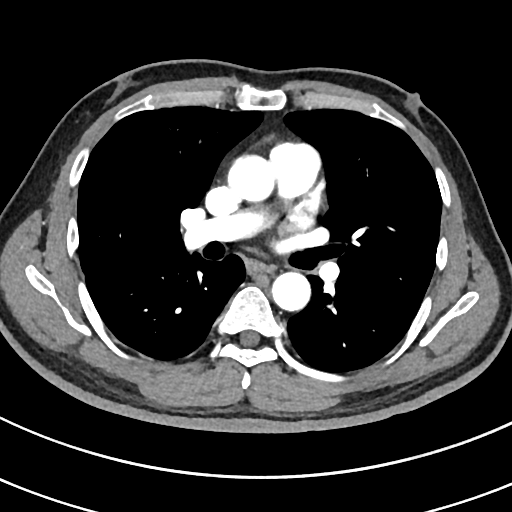 Chest-level slice from an abdominal CT that extends up into the chest; axial view; 512x512 px; SOMATOM Force scanner
At this level of the chest no structure but the esophagus and the aorta has a label in this dataset, and those two are boxed only where they are labeled.
Each box given as x1,y1,x2,y2.
Organ bounding boxes:
- aorta: x1=229, y1=155, x2=276, y2=202
- aorta: x1=272, y1=271, x2=310, y2=310
- esophagus: x1=250, y1=264, x2=271, y2=272